Chest-level slice from an abdominal CT that extends up into the chest — axial plane, index 267 — W/L 400/40 HU — acquired on SOMATOM Force
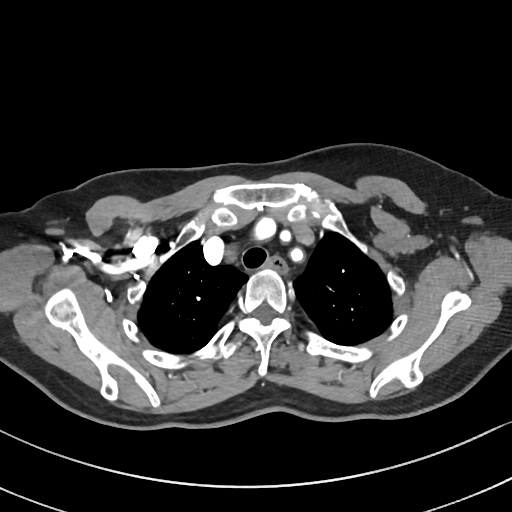
On a slice this high in the chest, this dataset labels only the esophagus and the aorta, and each is boxed only where it is labeled; the heart, lungs and other chest structures are not labeled.
Boxes are (x1, y1, x2, y2) in pixels.
esophagus: (262, 257, 287, 272)